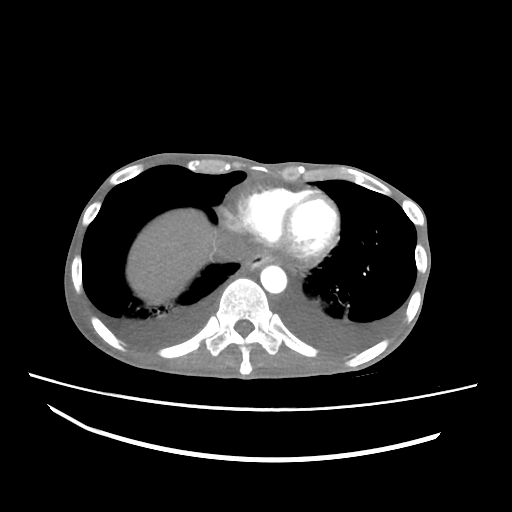

CT abdomen. Axial slice 79/123. soft-tissue window. 512x512 px. 47-year-old male patient
Organ boxes in pixel coordinates; each row gives the top-left (x1, y1) and bottom-right (x2, y2) corners.
| organ | x1 | y1 | x2 | y2 |
|---|---|---|---|---|
| esophagus | 243 | 251 | 273 | 270 |
| aorta | 260 | 265 | 287 | 293 |
| liver | 126 | 209 | 236 | 305 |
| inferior vena cava | 214 | 235 | 248 | 261 |